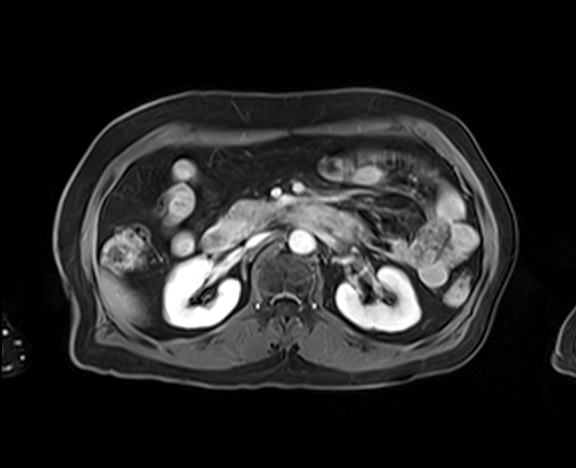
Abdominal MRI · Axial slice 25/72 · acquired on Prisma
Bounding boxes as [x1, y1, x2, y2] in pixel coordinates. Labeled organs on this slice: right kidney at [163, 257, 240, 327], left kidney at [336, 267, 420, 331], liver at [97, 270, 142, 322], aorta at [288, 229, 314, 254], inferior vena cava at [246, 232, 269, 248], pancreas at [215, 200, 282, 233], duodenum at [202, 204, 319, 252].